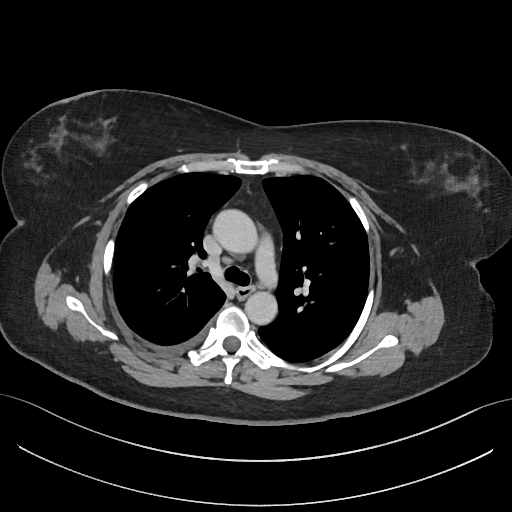

Chest-level slice from an abdominal CT that extends up into the chest. axial plane, index 254
On a slice this high in the chest, this dataset labels only the esophagus and the aorta, and each is boxed only where it is labeled; the heart, lungs and other chest structures are not labeled.
Box edges are left/top/right/bottom in pixels.
Organ bounding boxes:
- esophagus: left=237, top=287, right=253, bottom=298
- aorta: left=212, top=208, right=256, bottom=252
- aorta: left=244, top=292, right=276, bottom=325